Abdominal CT; this slice is in the lower chest, just above the liver · Axial slice 97/134 · soft-tissue window (W 400 / L 40)
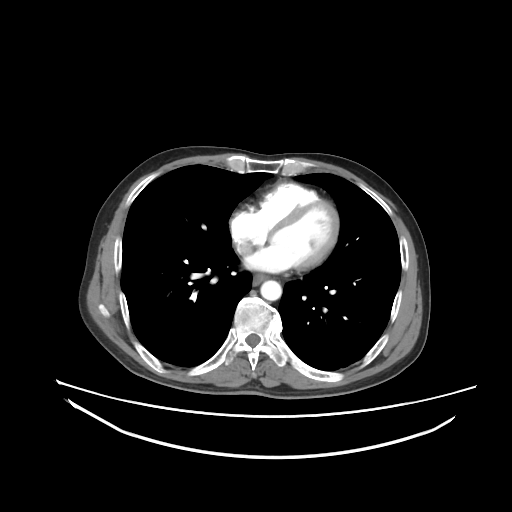

The heart and lungs are never labeled in this dataset, so they have no box on this slice.
Organ boxes in pixel coordinates; each row gives the top-left (x1, y1) and bottom-right (x2, y2) corners.
| organ | x1 | y1 | x2 | y2 |
|---|---|---|---|---|
| esophagus | 253 | 274 | 267 | 284 |
| aorta | 260 | 280 | 281 | 300 |